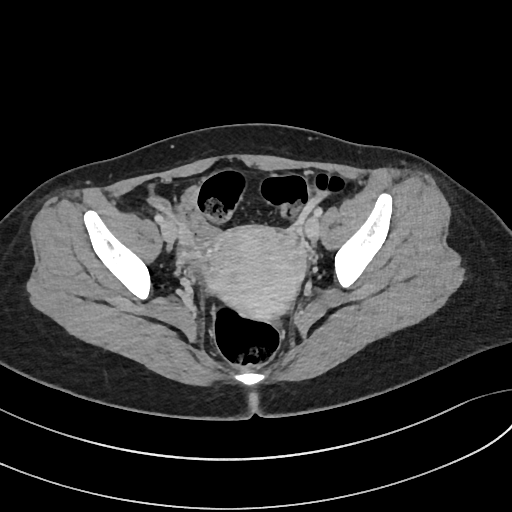

Abdominal CT; axial view; soft-tissue window (W 400 / L 40); 512x512 px
Boxes: x1:y1:x2:y2 in pixels. The annotated organs in this slice are: prostate/uterus at 210:226:305:318.